Computed tomography, abdomen; axial view; abdomen soft-tissue window
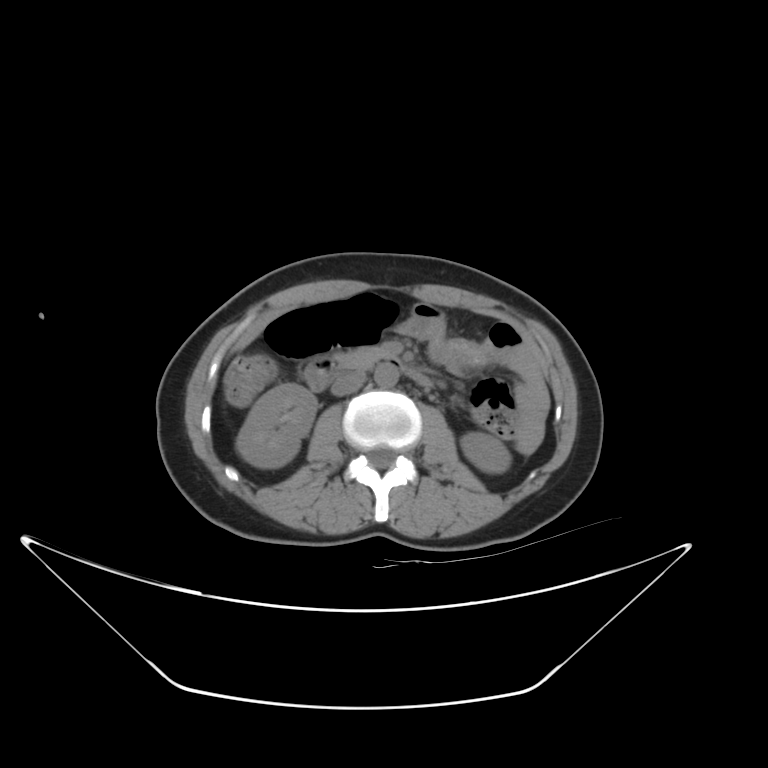
Boxes are (x1, y1, x2, y2) in pixels. 6 labeled organs on this slice — right kidney at (235, 383, 316, 467); left kidney at (461, 432, 510, 472); aorta at (374, 364, 398, 387); inferior vena cava at (331, 370, 365, 396); pancreas at (335, 347, 383, 368); duodenum at (303, 359, 432, 391).